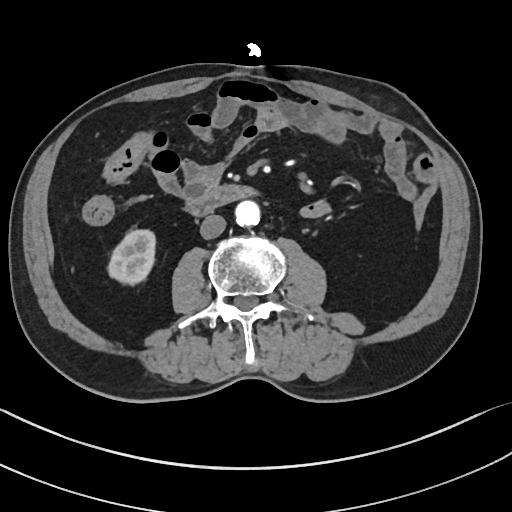
Abdominal CT · Axial slice 121/306 · W/L 400/40 HU
Coordinates as <box>x1,y1,x2,y2</box> in pixels.
right kidney: <box>108,228,156,282</box>
aorta: <box>234,201,260,227</box>
inferior vena cava: <box>199,215,225,239</box>
duodenum: <box>182,184,256,217</box>